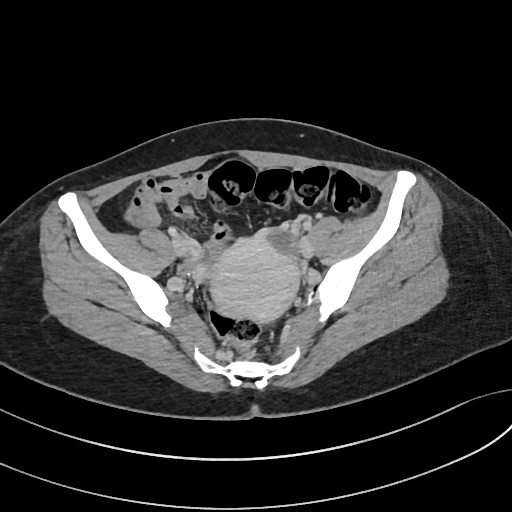
Abdominal CT. axial view
Boxes are (x1, y1, x2, y2) in pixels. 1 labeled organ on this slice — prostate/uterus at (210, 235, 297, 321).